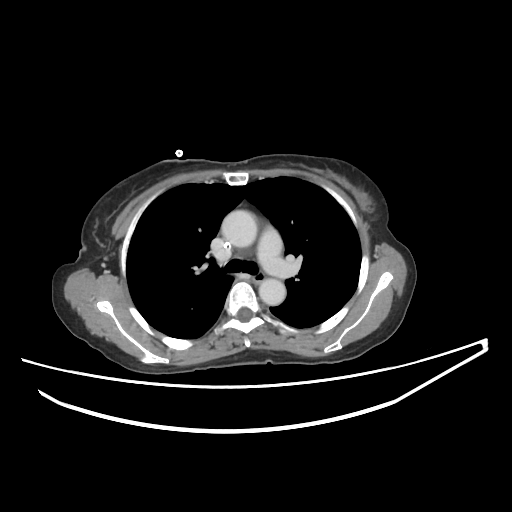
Chest-level CT slice, above the liver and spleen — axial view — soft-tissue window, W/L 400/40
At this level of the chest this dataset labels only the esophagus and the aorta, and each is boxed only where it is labeled; the heart and lungs are never labeled. Each box given as x1,y1,x2,y2. Labeled organs on this slice: aorta at x1=221, y1=210, x2=257, y2=247, aorta at x1=258, y1=278, x2=286, y2=305, esophagus at x1=252, y1=271, x2=265, y2=286.